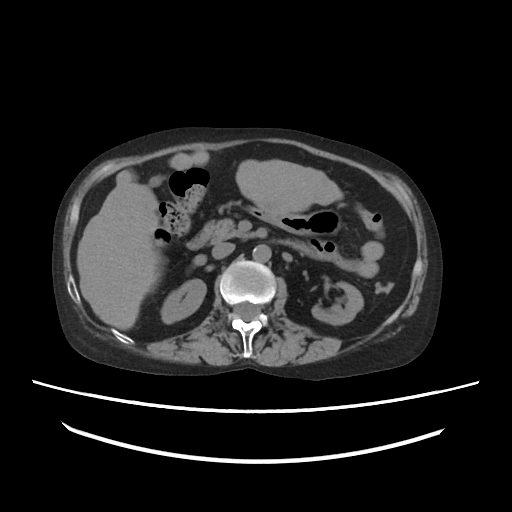
Computed tomography, abdomen · axial view · 61-year-old female patient
<organs><organ name="liver" x1="76" y1="150" x2="343" y2="330"/><organ name="duodenum" x1="186" y1="233" x2="336" y2="259"/><organ name="aorta" x1="252" y1="244" x2="271" y2="262"/><organ name="pancreas" x1="201" y1="218" x2="246" y2="242"/><organ name="left kidney" x1="312" y1="282" x2="363" y2="324"/><organ name="stomach" x1="251" y1="207" x2="342" y2="235"/><organ name="right kidney" x1="162" y1="279" x2="206" y2="323"/><organ name="inferior vena cava" x1="212" y1="242" x2="234" y2="258"/></organs>